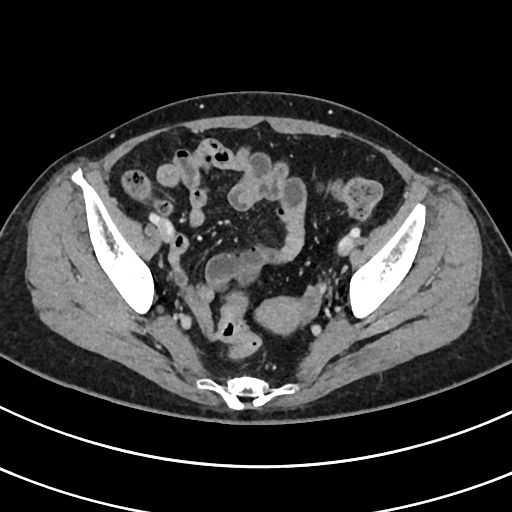 CT abdomen — axial plane, index 41 — soft-tissue window (W 400 / L 40)
Box edges are left/top/right/bottom in pixels.
prostate/uterus: left=256, top=297, right=305, bottom=333